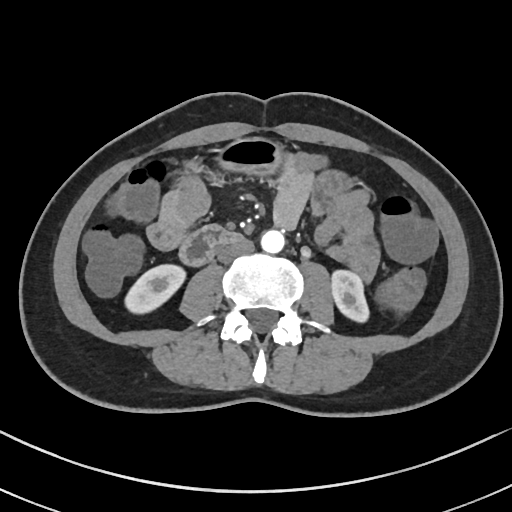

CT, abdomen/pelvis · axial view
Boxes: x1 y1 x2 y2 (pixel coords, space-separated).
Organ bounding boxes:
- right kidney: 127 263 185 313
- left kidney: 330 269 369 322
- stomach: 217 138 282 174
- aorta: 261 229 284 253
- inferior vena cava: 217 238 254 264
- duodenum: 179 225 241 267